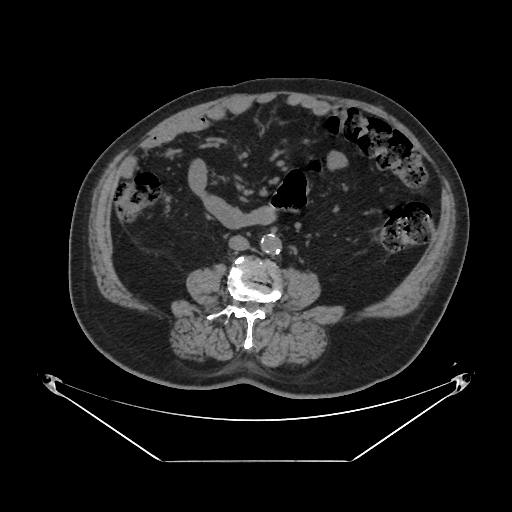
Computed tomography, abdomen. axial view. soft-tissue window. 512x512 px. 15 organs annotated in this scan (that count is for the whole scan; organs this slice misses have no box)
{"organs":{"inferior vena cava":[229,235,249,250],"aorta":[260,234,280,253]}}